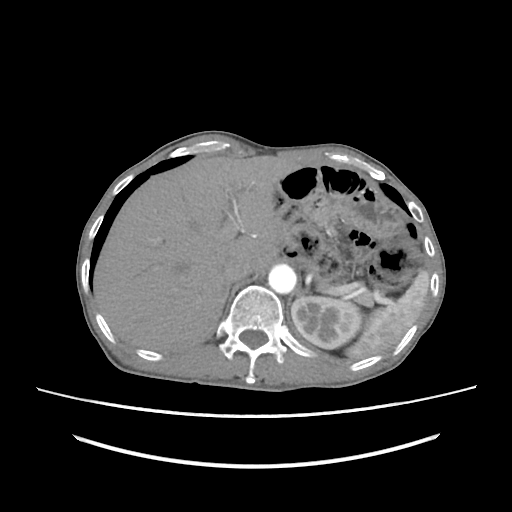
CT, abdomen/pelvis — axial view — 512x512 px
Bounding boxes as [x1, y1, x2, y2] in pixel coordinates.
Organ bounding boxes:
- spleen: [346, 270, 429, 358]
- left kidney: [291, 296, 361, 348]
- liver: [93, 156, 301, 350]
- aorta: [268, 264, 296, 293]
- inferior vena cava: [223, 257, 251, 282]
- pancreas: [357, 291, 372, 305]
- right adrenal gland: [220, 287, 229, 313]
- left adrenal gland: [300, 289, 308, 293]